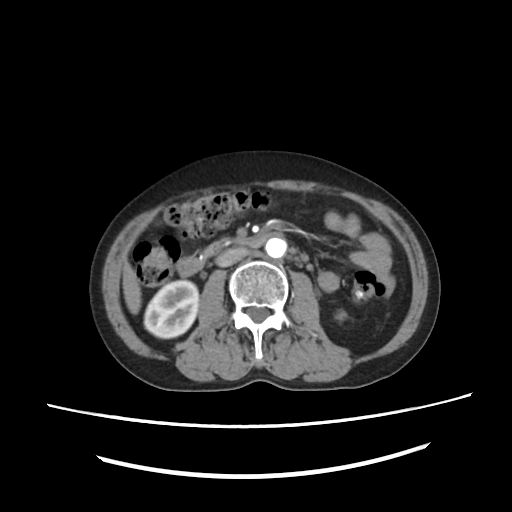

CT abdomen — axial view — soft-tissue window (W 400 / L 40) — 67-year-old male patient — 15 organs annotated in this scan (counted over the whole 3D scan, not this slice; an organ is boxed only where this slice passes through it)
{"organs":{"right kidney":[143,280,198,337],"left kidney":[335,309,346,320],"liver":[122,265,139,314],"aorta":[266,238,286,256],"inferior vena cava":[216,248,250,266],"pancreas":[204,239,231,257],"duodenum":[174,233,283,276]}}